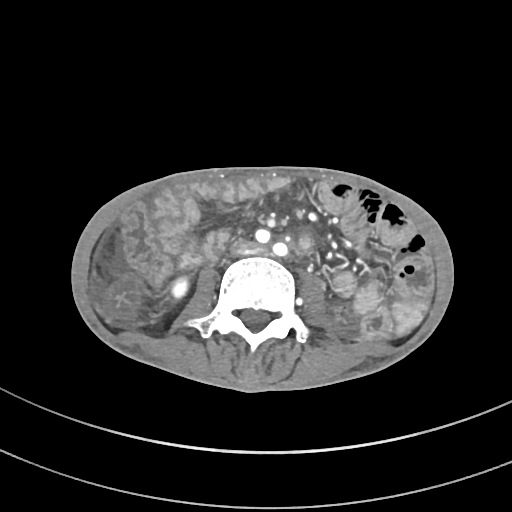 CT, abdomen/pelvis. axial plane, index 99. soft-tissue window. 512x512 px. SOMATOM Force scanner. scan has 15 labeled organs (counted over the whole 3D scan, not this slice; an organ is boxed only where this slice passes through it)
Coordinates as <box>x1,y1,x2,y2</box> in pixels.
right kidney: <box>171,280,188,299</box>
inferior vena cava: <box>230,240,256,254</box>